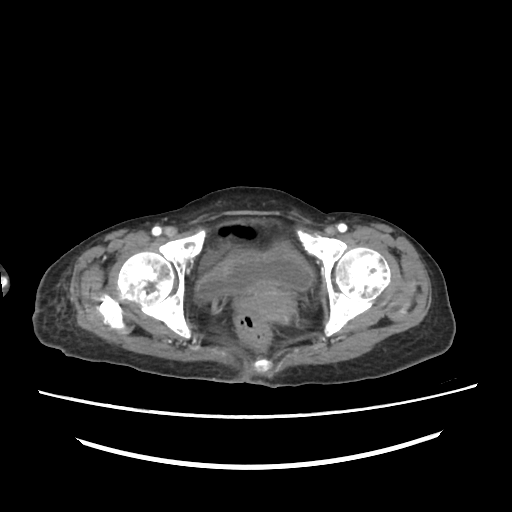

Abdominal CT; Axial slice 10/111; 512x512 px
<organs><organ name="bladder" x1="196" y1="243" x2="314" y2="301"/><organ name="prostate/uterus" x1="248" y1="287" x2="295" y2="322"/></organs>